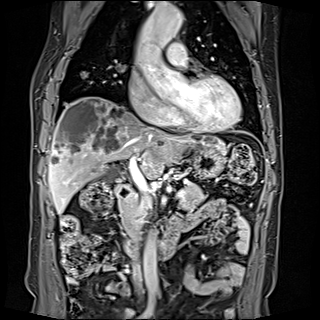

MRI, abdomen. coronal view
{"organs":{"gall bladder":[103,169,118,178],"liver":[48,97,225,213],"stomach":[191,145,226,177],"aorta":[[135,4,182,55],[144,236,160,297]],"inferior vena cava":[132,258,140,286],"pancreas":[118,182,205,227],"duodenum":[115,181,182,256]}}